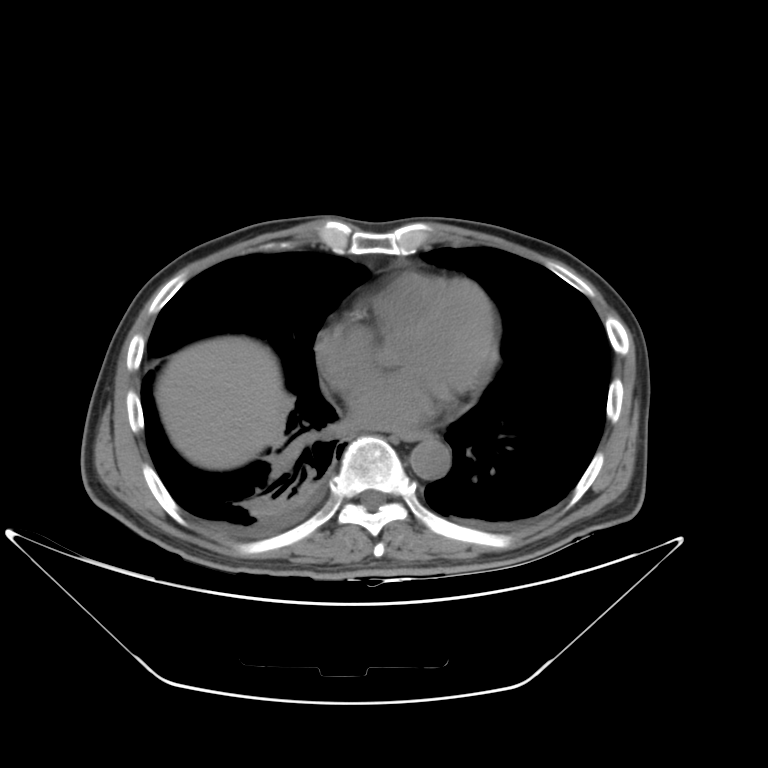
Abdominal CT; axial view; 65-year-old male patient; scan has 15 labeled organs (counted over the whole 3D scan, not this slice; an organ is boxed only where this slice passes through it)
<organs><organ name="liver" x1="155" y1="336" x2="293" y2="469"/><organ name="aorta" x1="409" y1="437" x2="450" y2="480"/><organ name="esophagus" x1="397" y1="431" x2="431" y2="441"/></organs>